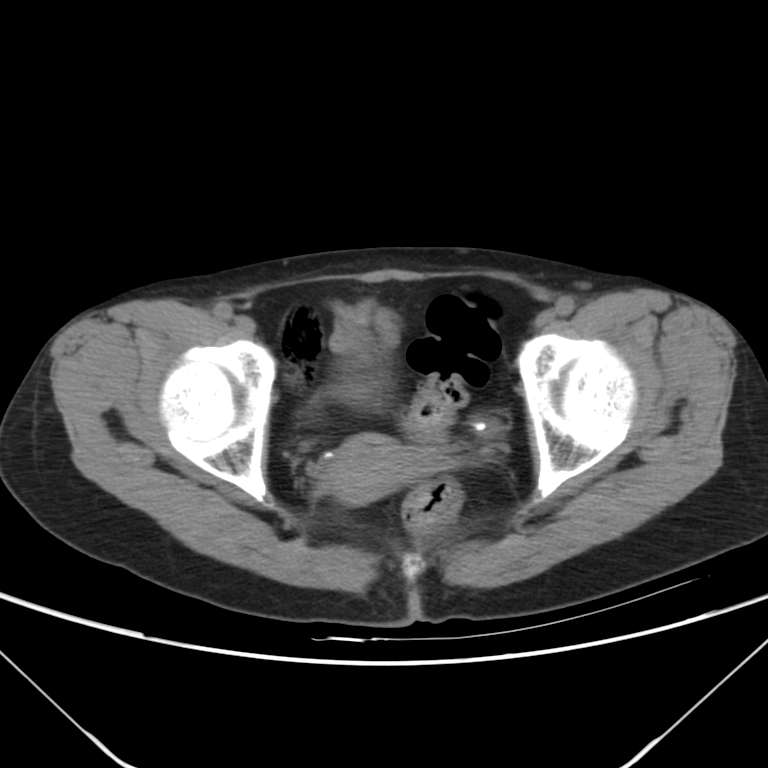
Abdominal CT; axial plane, index 18; soft-tissue window (W 400 / L 40); 768x768 px; 63-year-old female patient
Coordinates as <box>x1,y1,x2,y2</box> in pixels. 1 labeled organ on this slice — prostate/uterus at <box>323,435,430,503</box>.